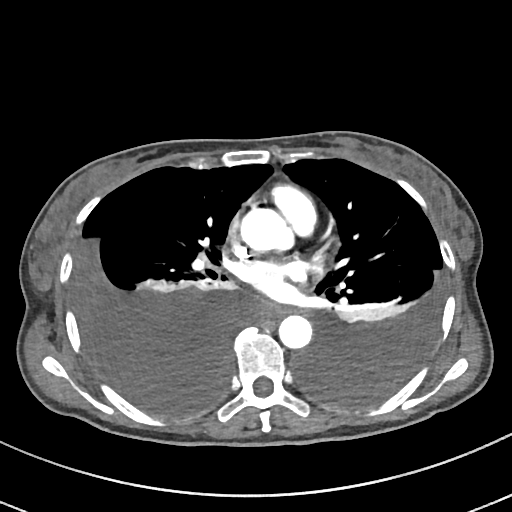

Abdominal CT; this slice is in the lower chest, just above the liver · axial plane, index 236
Of the structures in the chest, this dataset labels only the esophagus, the aorta and the inferior vena cava; the heart and lungs have no label. Boxes: x1 y1 x2 y2 (pixel coords, space-separated). Labeled organs on this slice: esophagus at 263 305 287 318, aorta at 242 209 295 253, aorta at 279 315 312 349.